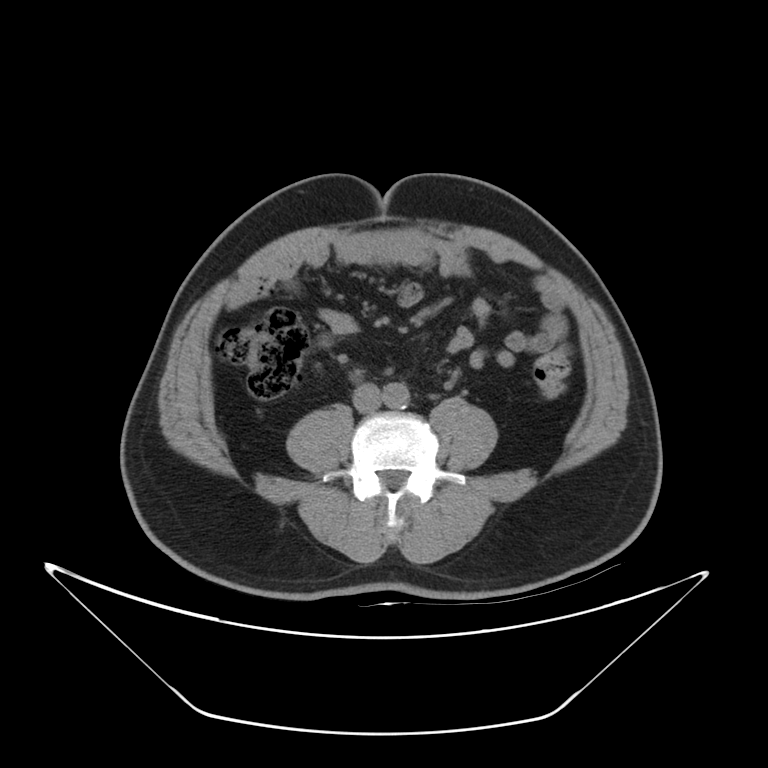

Computed tomography, abdomen; axial view; W/L 400/40 HU; 55-year-old male patient
Box edges are left/top/right/bottom in pixels.
Organ bounding boxes:
- aorta: left=382, top=383, right=409, bottom=408
- inferior vena cava: left=353, top=383, right=381, bottom=412